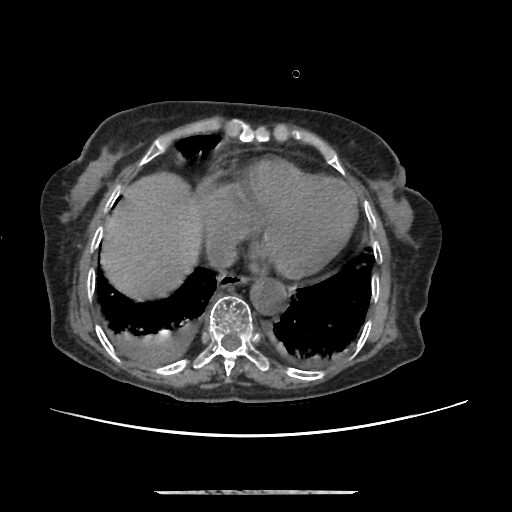 CT, abdomen/pelvis. axial view. 512x512 px
Each box given as x1,y1,x2,y2.
esophagus: x1=217, y1=270, x2=249, y2=286
aorta: x1=249, y1=276, x2=285, y2=314
inferior vena cava: x1=206, y1=234, x2=237, y2=271
liver: x1=100, y1=169, x2=201, y2=300